Abdominal CT reaching into the chest; this slice is in the chest; axial view
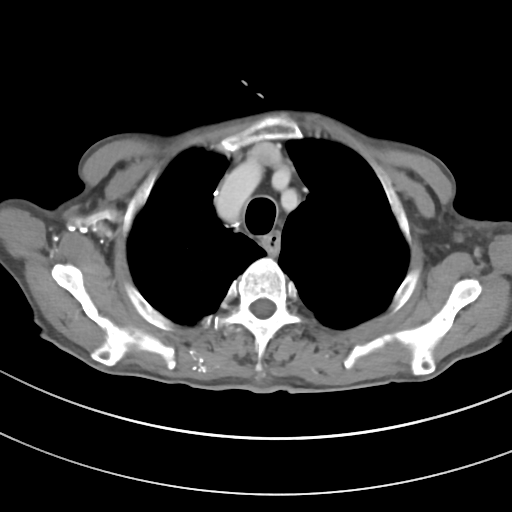

At this level of the chest no structure but the esophagus and the aorta has a label in this dataset, and those two are boxed only where they are labeled.
{"organs":{"esophagus":[263,233,279,251]}}